Computed tomography, abdomen. axial view. soft-tissue window. Brilliance16 scanner
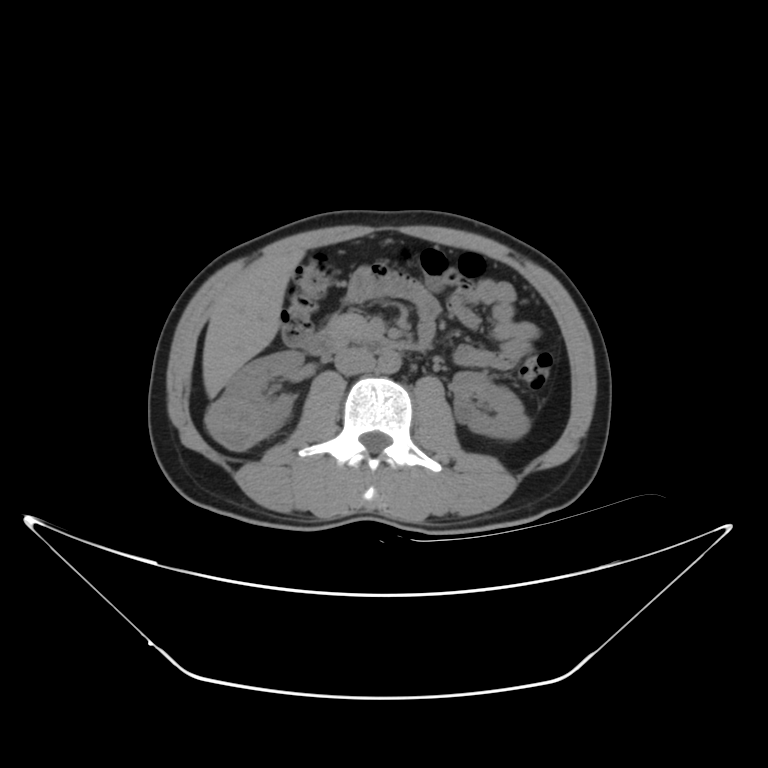 {"organs":{"right kidney":[205,350,301,450],"left kidney":[449,371,529,439],"liver":[201,245,304,396],"aorta":[375,349,398,372],"inferior vena cava":[333,346,375,373],"pancreas":[322,314,372,333],"duodenum":[306,329,391,350]}}